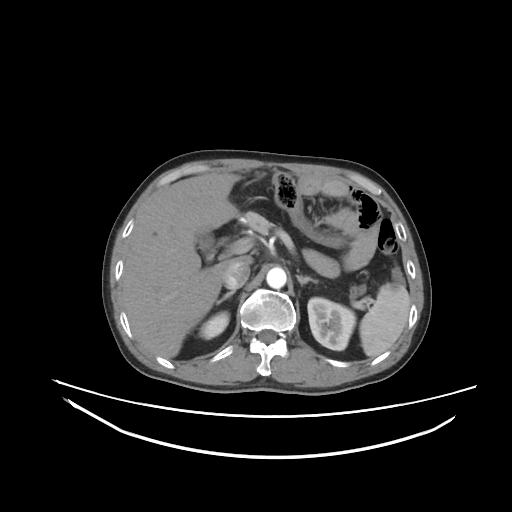 CT, abdomen/pelvis — axial plane, index 74 — abdomen soft-tissue window — 512x512 px — 52-year-old male patient — scan has 15 labeled organs (a whole-scan count: organs this slice does not pass through have no box)
<organs><organ name="spleen" x1="359" y1="283" x2="410" y2="357"/><organ name="right kidney" x1="199" y1="311" x2="229" y2="339"/><organ name="left kidney" x1="307" y1="297" x2="355" y2="350"/><organ name="gall bladder" x1="198" y1="232" x2="218" y2="258"/><organ name="liver" x1="121" y1="172" x2="252" y2="358"/><organ name="aorta" x1="266" y1="267" x2="286" y2="289"/><organ name="inferior vena cava" x1="223" y1="259" x2="250" y2="289"/><organ name="pancreas" x1="245" y1="212" x2="273" y2="233"/><organ name="right adrenal gland" x1="216" y1="290" x2="235" y2="304"/><organ name="left adrenal gland" x1="296" y1="275" x2="318" y2="284"/></organs>